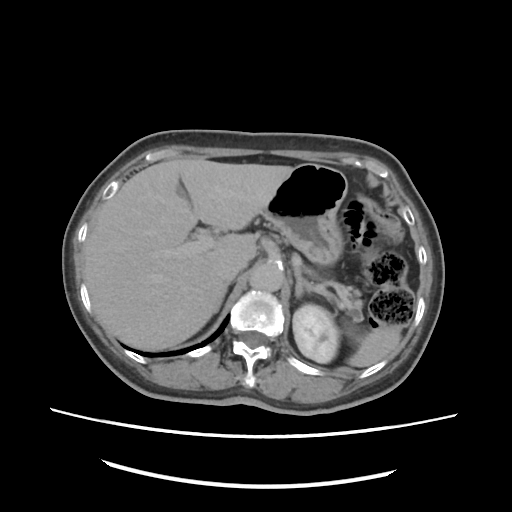
Abdominal CT — axial view — 512x512 px — acquired on Aquilion ONE
<organs><organ name="spleen" x1="347" y1="324" x2="401" y2="368"/><organ name="left kidney" x1="292" y1="305" x2="338" y2="362"/><organ name="liver" x1="84" y1="158" x2="292" y2="350"/><organ name="stomach" x1="262" y1="163" x2="348" y2="266"/><organ name="aorta" x1="251" y1="263" x2="282" y2="291"/><organ name="inferior vena cava" x1="218" y1="248" x2="250" y2="281"/><organ name="pancreas" x1="346" y1="286" x2="361" y2="297"/><organ name="left adrenal gland" x1="295" y1="267" x2="313" y2="297"/></organs>